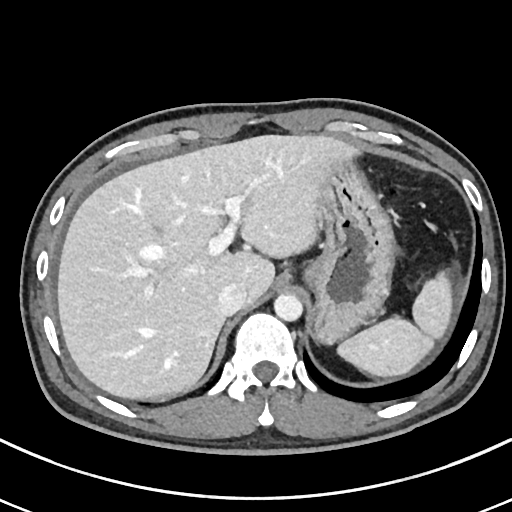
Abdominal CT — axial view — abdomen soft-tissue window
Boxes: x1:y1:x2:y2 in pixels.
Organ bounding boxes:
- spleen: 336:273:453:375
- liver: 57:135:360:398
- stomach: 300:161:393:343
- aorta: 274:294:302:321
- inferior vena cava: 218:284:246:315